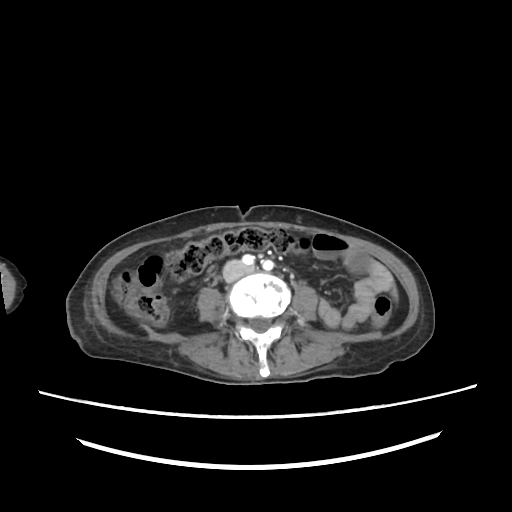

CT abdomen — Axial slice 40/111 — soft-tissue window (W 400 / L 40)
{"organs":{"inferior vena cava":[223,260,251,281]}}